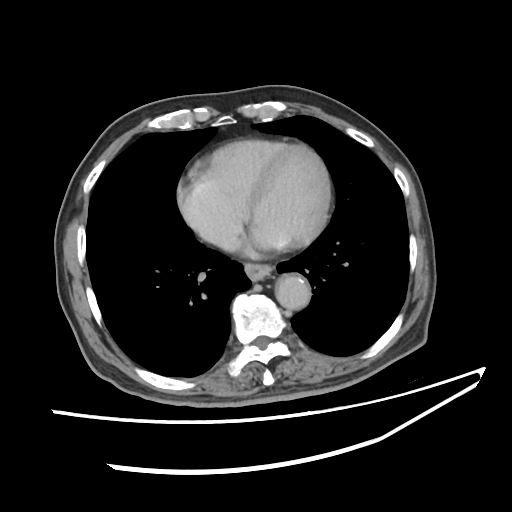 Abdominal CT; this slice is in the lower chest, just above the liver. axial view. soft-tissue window (W 400 / L 40). acquired on Aquilion ONE
The heart and lungs are never labeled in this dataset, so they have no box on this slice.
Coordinates as <box>x1,y1,x2,y2</box> in pixels.
Organ bounding boxes:
- esophagus: <box>245,263,275,279</box>
- aorta: <box>274,273,309,310</box>
- inferior vena cava: <box>197,221,234,247</box>